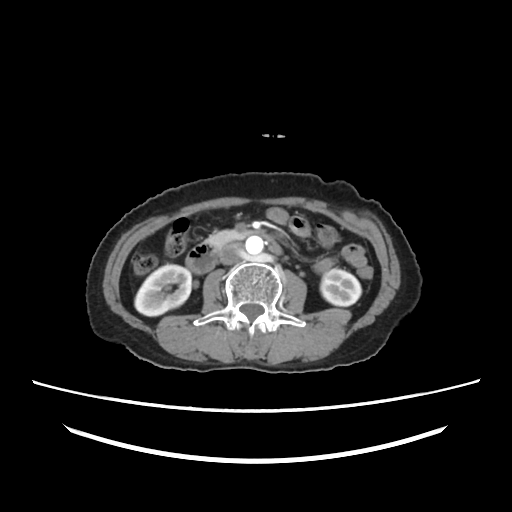
CT abdomen. axial view. scan has 15 labeled organs (counted over the whole 3D scan, not this slice; an organ is boxed only where this slice passes through it)
Box edges are left/top/right/bottom in pixels.
right kidney: left=134, top=264, right=191, bottom=316
left kidney: left=320, top=269, right=361, bottom=306
aorta: left=245, top=236, right=263, bottom=254
inferior vena cava: left=219, top=243, right=244, bottom=264
pancreas: left=208, top=230, right=246, bottom=247
duodenum: left=185, top=242, right=280, bottom=273